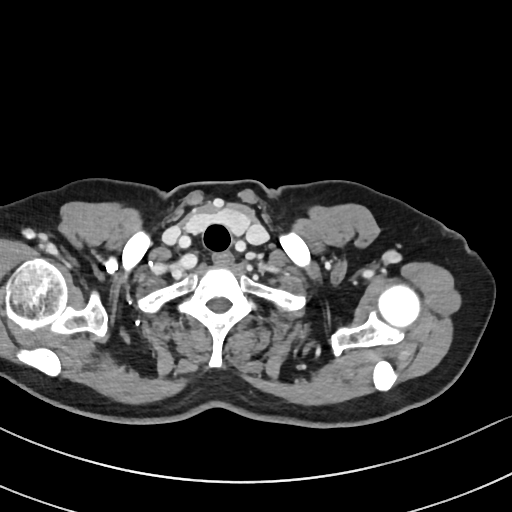 Abdominal CT reaching into the chest; this slice is in the chest; axial view; W/L 400/40 HU; 512x512 px; SOMATOM Force scanner
On a slice this high in the chest, this dataset labels only the esophagus and the aorta, and each is boxed only where it is labeled; the heart, lungs and other chest structures are not labeled.
<organs><organ name="esophagus" x1="210" y1="252" x2="232" y2="266"/></organs>